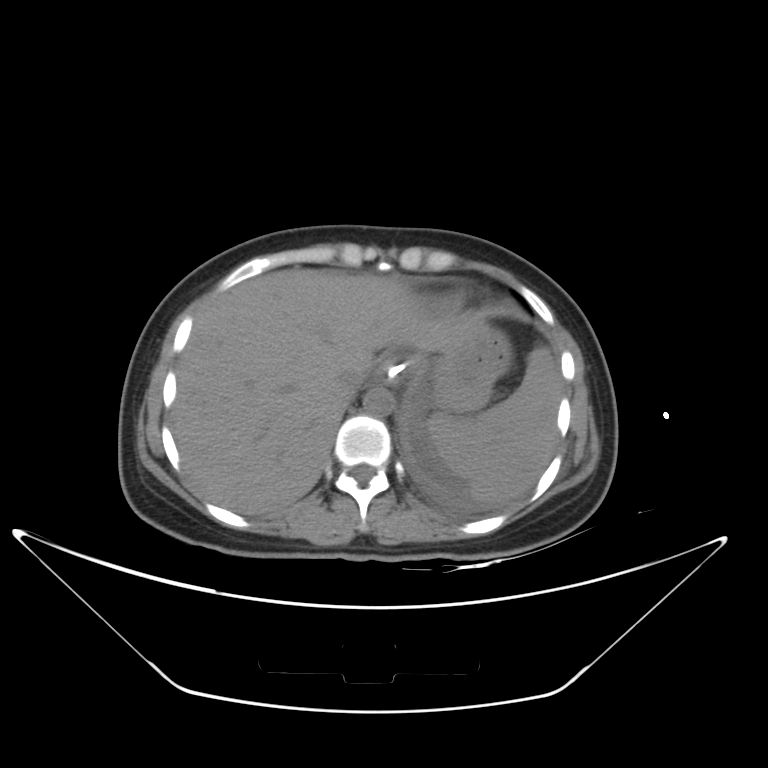

Abdominal CT · Axial slice 83/95
Bounding boxes in pixels, one row per box: x1, y1 is the top-left corner and x2, y2 the bottom-right.
| organ | x1 | y1 | x2 | y2 |
|---|---|---|---|---|
| spleen | 428 | 346 | 561 | 502 |
| esophagus | 372 | 357 | 403 | 386 |
| liver | 170 | 269 | 484 | 515 |
| stomach | 388 | 326 | 511 | 410 |
| aorta | 363 | 386 | 393 | 416 |
| inferior vena cava | 336 | 365 | 368 | 398 |